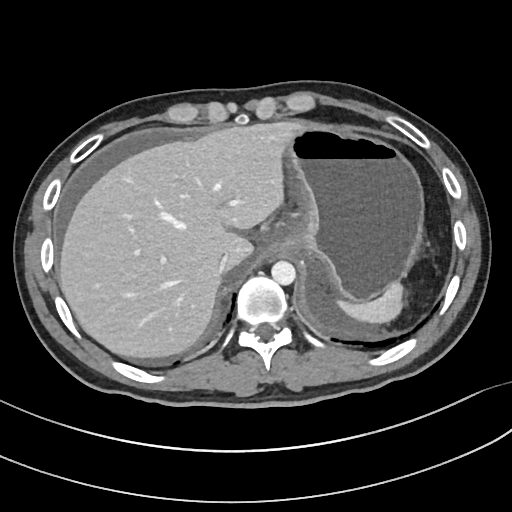 Computed tomography, abdomen. axial view. 512x512 px. 15 organs annotated in this scan (a whole-scan count: organs this slice does not pass through have no box)
Box edges are left/top/right/bottom in pixels.
spleen: left=336, top=285, right=403, bottom=323
liver: left=59, top=123, right=298, bottom=356
stomach: left=268, top=125, right=424, bottom=302
aorta: left=271, top=261, right=296, bottom=285
inferior vena cava: left=219, top=252, right=227, bottom=273